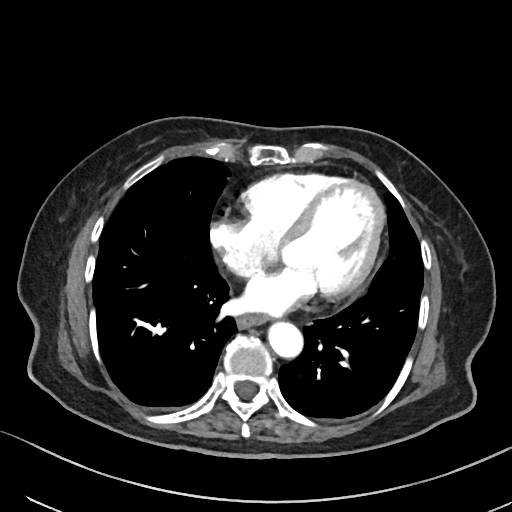 Lower-chest slice from an abdominal CT, just above the liver and spleen — axial plane, index 218 — scan has 15 labeled organs (counted over the whole 3D scan, not this slice; an organ is boxed only where this slice passes through it)
Of the structures in the chest, this dataset labels only the esophagus, the aorta and the inferior vena cava; the heart and lungs have no label.
Bounding boxes in pixels, one row per box: x1, y1 is the top-left corner and x2, y2 the bottom-right.
| organ | x1 | y1 | x2 | y2 |
|---|---|---|---|---|
| aorta | 268 | 322 | 302 | 357 |
| esophagus | 237 | 315 | 266 | 327 |